CT abdomen — axial plane, index 183 — W/L 400/40 HU
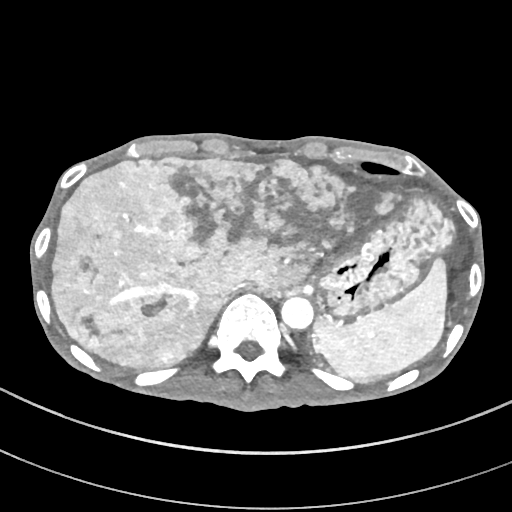

Box edges are left/top/right/bottom in pixels. 5 labeled organs on this slice — aorta at left=281, top=297, right=313, bottom=329; liver at left=52, top=156, right=402, bottom=384; spleen at left=313, top=259, right=446, bottom=377; inferior vena cava at left=223, top=281, right=247, bottom=296; stomach at left=319, top=195, right=457, bottom=316.